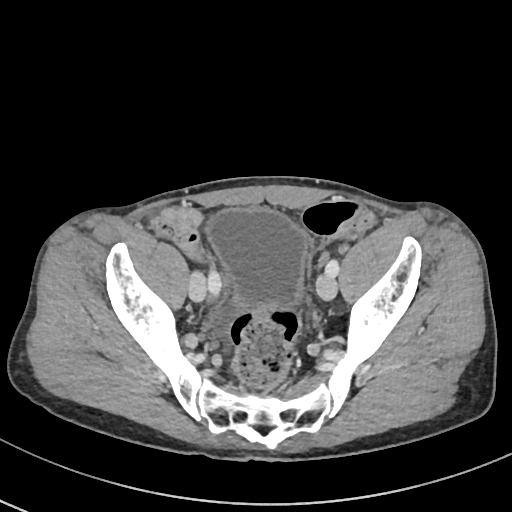

Abdominal CT · axial view · W/L 400/40 HU · 15 organs annotated in this scan (a whole-scan count: organs this slice does not pass through have no box)
Boxes: x1 y1 x2 y2 (pixel coords, space-separated).
Organ bounding boxes:
- bladder: 205 208 309 310